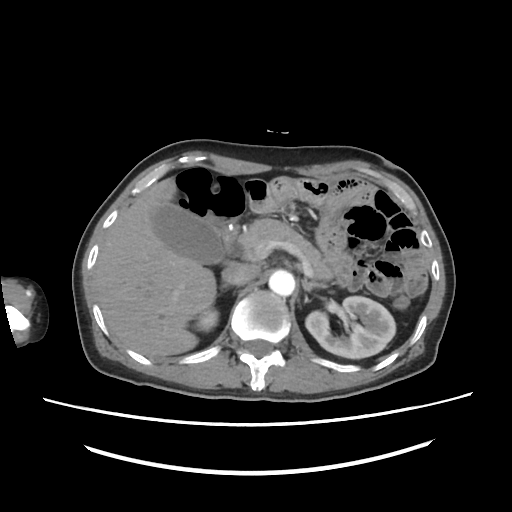 CT, abdomen/pelvis. axial plane, index 74. W/L 400/40 HU
Bounding boxes in pixels, one row per box: x1, y1 is the top-left corner and x2, y2 the bottom-right.
| organ | x1 | y1 | x2 | y2 |
|---|---|---|---|---|
| right kidney | 194 | 308 | 218 | 331 |
| left kidney | 304 | 297 | 396 | 357 |
| gall bladder | 150 | 203 | 240 | 263 |
| liver | 94 | 176 | 216 | 357 |
| aorta | 269 | 269 | 296 | 296 |
| inferior vena cava | 222 | 264 | 258 | 285 |
| pancreas | 239 | 218 | 334 | 279 |
| right adrenal gland | 220 | 282 | 229 | 291 |
| left adrenal gland | 302 | 279 | 322 | 291 |
| duodenum | 221 | 225 | 240 | 250 |